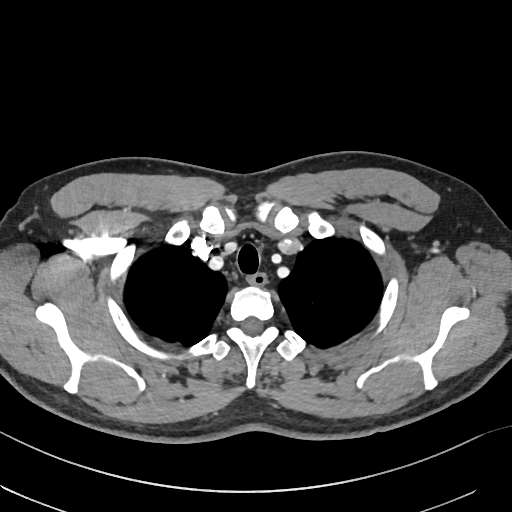

Abdominal CT reaching into the chest; this slice is in the chest · Axial slice 291/307 · W/L 400/40 HU · 512x512 px
On a slice this high in the chest, this dataset labels only the esophagus and the aorta, and each is boxed only where it is labeled; the heart, lungs and other chest structures are not labeled.
{"organs":{"esophagus":[249,273,266,285]}}